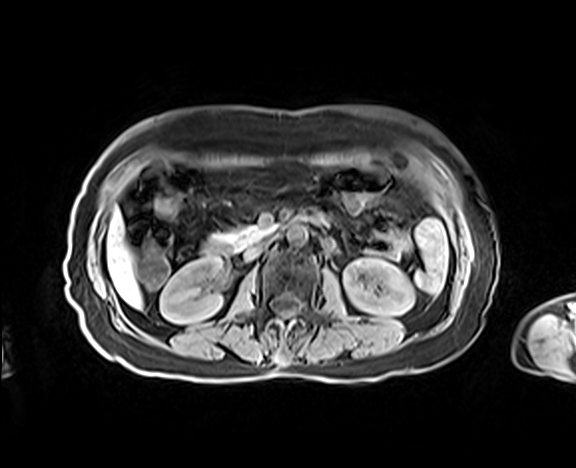
Abdominal MR — axial view — percentile-normalized
<organs><organ name="pancreas" x1="211" y1="225" x2="270" y2="247"/><organ name="aorta" x1="286" y1="223" x2="307" y2="245"/><organ name="liver" x1="106" y1="211" x2="142" y2="308"/><organ name="inferior vena cava" x1="244" y1="238" x2="272" y2="260"/><organ name="duodenum" x1="202" y1="209" x2="318" y2="257"/><organ name="left kidney" x1="344" y1="258" x2="414" y2="315"/><organ name="right kidney" x1="160" y1="257" x2="224" y2="323"/></organs>